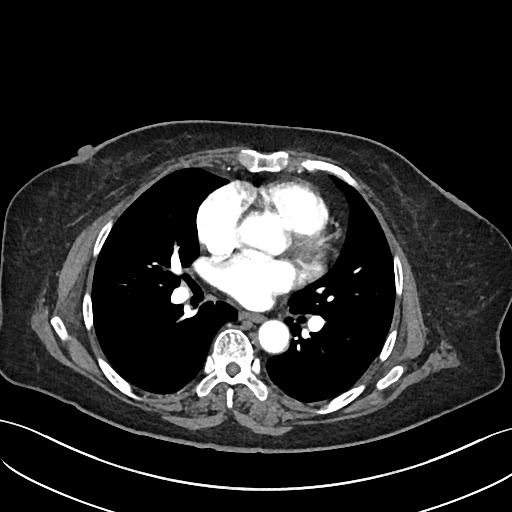

CT of the abdomen extending into the chest, slice through the chest — axial plane, index 210 — 512x512 px — scan has 15 labeled organs (that count is for the whole scan; organs this slice misses have no box)
On a slice this high in the chest, this dataset labels only the esophagus and the aorta, and each is boxed only where it is labeled; the heart, lungs and other chest structures are not labeled.
Organ boxes in pixel coordinates; each row gives the top-left (x1, y1) and bottom-right (x2, y2) corners.
| organ | x1 | y1 | x2 | y2 |
|---|---|---|---|---|
| esophagus | 240 | 312 | 262 | 321 |
| aorta | 258 | 319 | 289 | 352 |